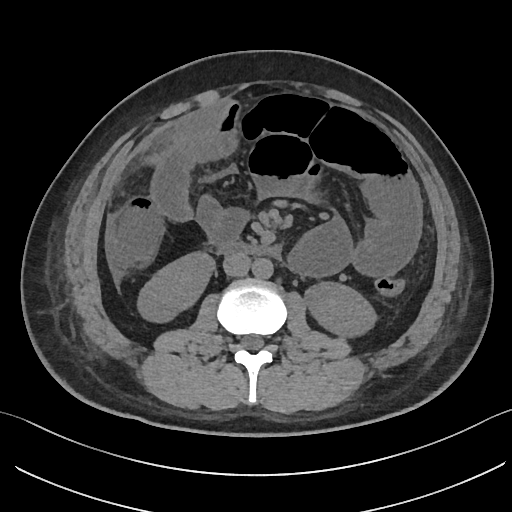
Computed tomography, abdomen. axial view. abdomen soft-tissue window. 512x512 px. SOMATOM Force scanner
Bounding boxes in pixels, one row per box: x1, y1 is the top-left corner and x2, y2 the bottom-right.
| organ | x1 | y1 | x2 | y2 |
|---|---|---|---|---|
| aorta | 252 | 258 | 273 | 279 |
| left kidney | 303 | 281 | 377 | 338 |
| duodenum | 215 | 241 | 275 | 255 |
| right kidney | 136 | 251 | 215 | 324 |
| inferior vena cava | 223 | 252 | 251 | 276 |